CT of the abdomen reaching into the lower chest, slice just above the liver and spleen · axial view · 14 organs annotated in this scan (counted over the whole 3D scan, not this slice; an organ is boxed only where this slice passes through it)
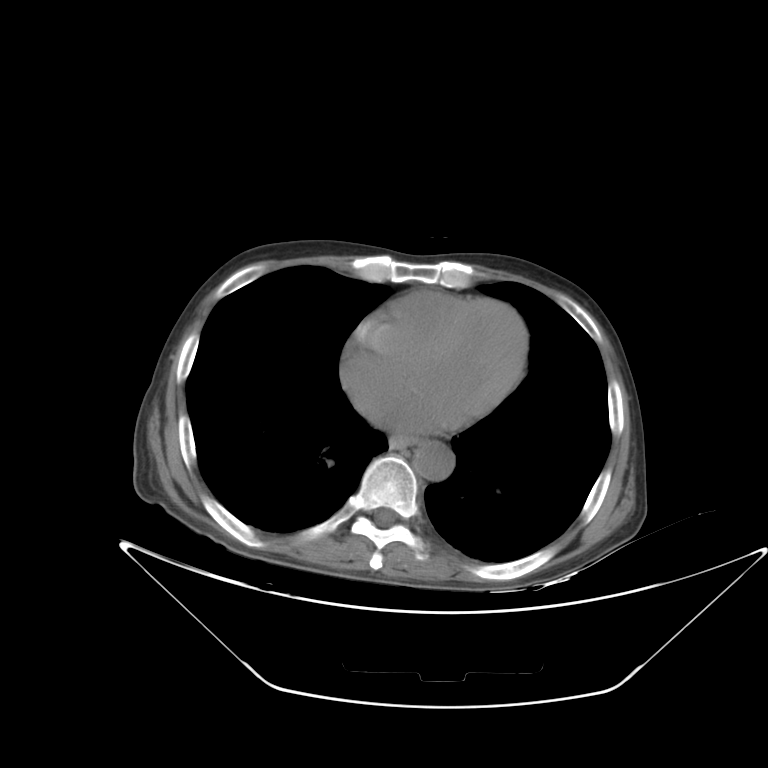

Of the structures in the chest, this dataset labels only the esophagus, the aorta and the inferior vena cava; the heart and lungs have no label.
Organ boxes in pixel coordinates; each row gives the top-left (x1, y1) and bottom-right (x2, y2) corners.
| organ | x1 | y1 | x2 | y2 |
|---|---|---|---|---|
| esophagus | 389 | 434 | 414 | 449 |
| aorta | 413 | 441 | 454 | 480 |